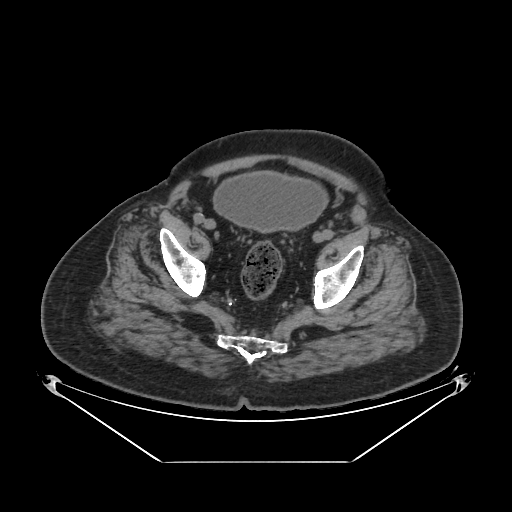 CT abdomen. axial view. W/L 400/40 HU
<organs><organ name="bladder" x1="213" y1="172" x2="326" y2="232"/></organs>